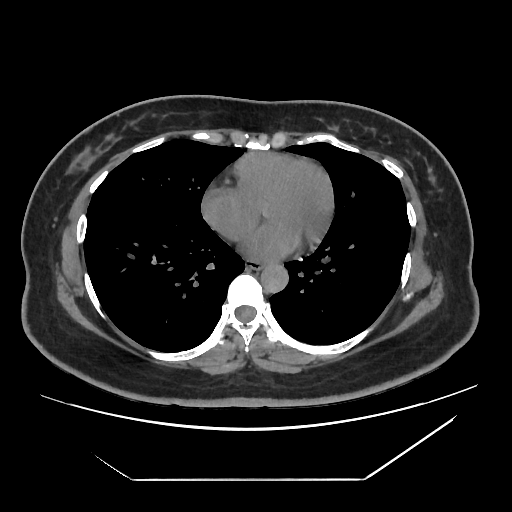

CT of the abdomen reaching into the lower chest, slice just above the liver and spleen. axial view. acquired on SOMATOM Force
The heart and lungs are never labeled in this dataset, so they have no box on this slice.
Box edges are left/top/right/bottom in pixels.
esophagus: left=247, top=260, right=262, bottom=270
aorta: left=261, top=265, right=288, bottom=293